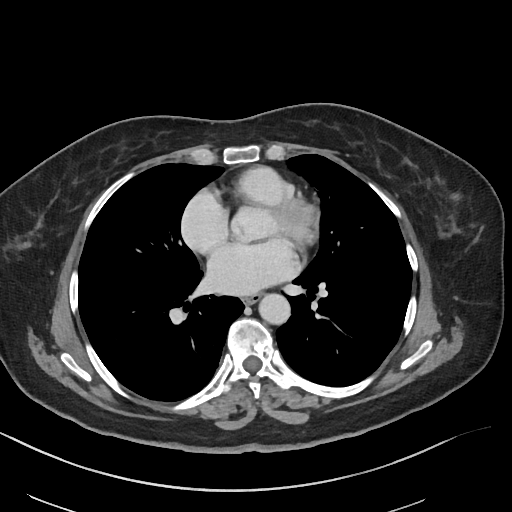
CT of the abdomen reaching into the lower chest, slice just above the liver and spleen; axial plane, index 237; W/L 400/40 HU; 512x512 px; SOMATOM Force scanner; 15 organs annotated in this scan (a whole-scan count: organs this slice does not pass through have no box)
The heart and lungs are never labeled in this dataset, so they have no box on this slice.
<organs><organ name="aorta" x1="259" y1="293" x2="290" y2="324"/><organ name="esophagus" x1="243" y1="294" x2="260" y2="304"/></organs>